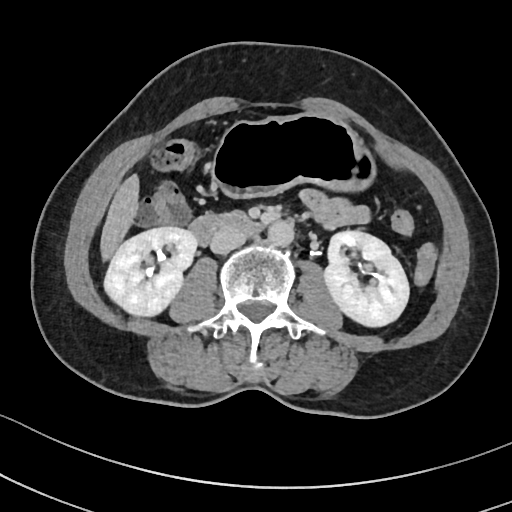

Abdominal CT. axial view. scan has 15 labeled organs (counted over the whole 3D scan, not this slice; an organ is boxed only where this slice passes through it)
Boxes are (x1, y1, x2, y2) in pixels.
Organ bounding boxes:
- right kidney: (104, 226, 196, 316)
- left kidney: (324, 230, 409, 326)
- liver: (100, 175, 138, 260)
- stomach: (214, 115, 375, 198)
- aorta: (268, 220, 294, 246)
- inferior vena cava: (210, 227, 246, 254)
- duodenum: (189, 211, 262, 244)